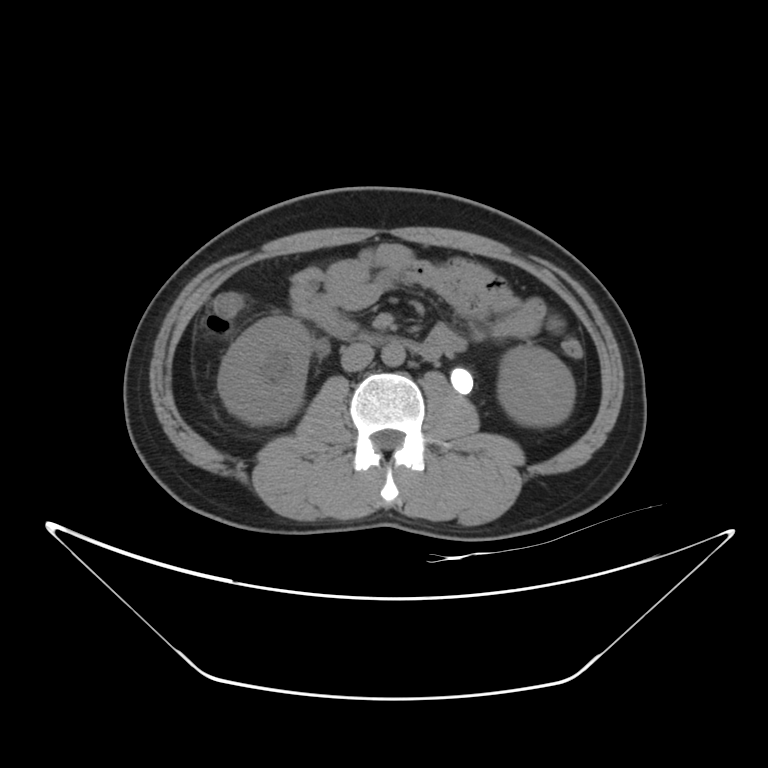

CT, abdomen/pelvis · axial view · soft-tissue window · 25-year-old male patient
One row per box, in pixels: columns x1 and y1 give the top-left corner, x2 and y2 the bottom-right.
| organ | x1 | y1 | x2 | y2 |
|---|---|---|---|---|
| right kidney | 217 | 316 | 311 | 425 |
| left kidney | 498 | 346 | 575 | 426 |
| aorta | 381 | 343 | 404 | 366 |
| inferior vena cava | 341 | 343 | 373 | 371 |
| duodenum | 351 | 334 | 420 | 350 |